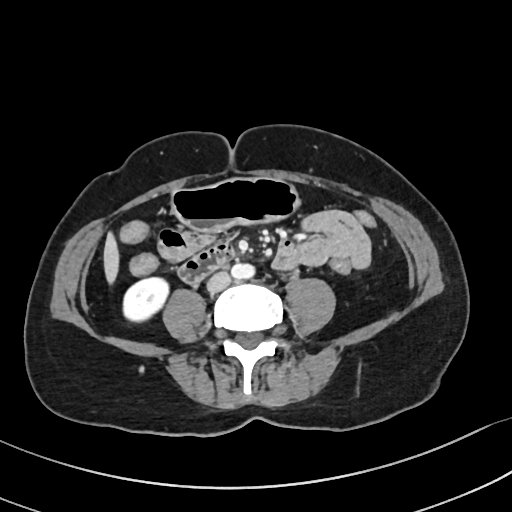

Computed tomography, abdomen. axial view. 512x512 px
Bounding boxes as [x1, y1, x2, y2] in pixel coordinates.
Organ bounding boxes:
- right kidney: [123, 278, 168, 322]
- liver: [103, 233, 119, 283]
- stomach: [171, 178, 299, 232]
- aorta: [231, 261, 254, 278]
- inferior vena cava: [207, 272, 230, 292]
- duodenum: [179, 242, 236, 283]